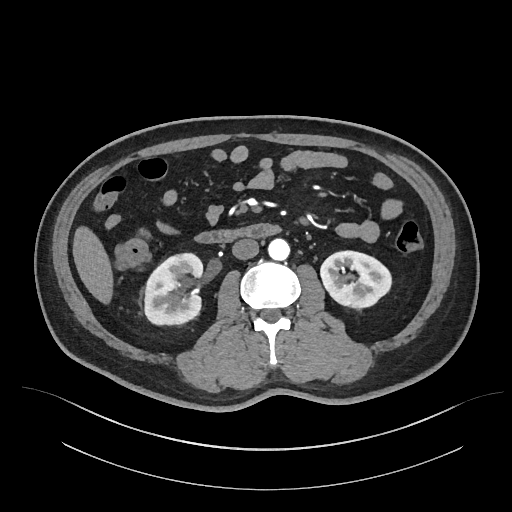
CT abdomen. axial view
{"organs":{"liver":[73,228,112,302],"right kidney":[144,253,203,323],"inferior vena cava":[232,238,259,259],"duodenum":[196,223,280,242],"aorta":[268,238,289,259],"left kidney":[321,251,390,306]}}